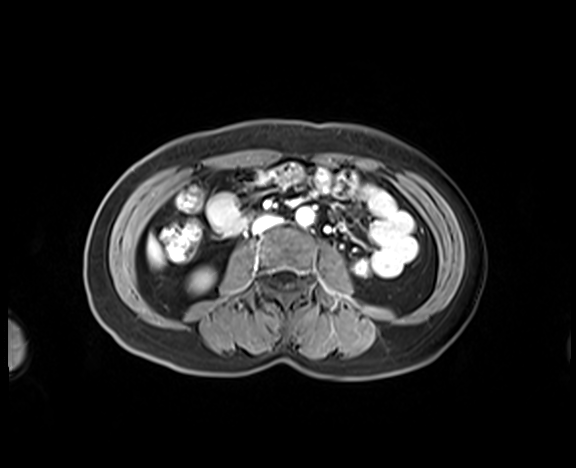

Abdominal MR · axial plane, index 10 · 1st–99th percentile window · 13 organs annotated in this scan (a whole-scan count: organs this slice does not pass through have no box)
Each box given as x1,y1,x2,y2.
right kidney: x1=192, y1=269, x2=213, y2=290
inferior vena cava: x1=252, y1=215, x2=280, y2=232
liver: x1=147, y1=236, x2=163, y2=265
aorta: x1=296, y1=207, x2=314, y2=225